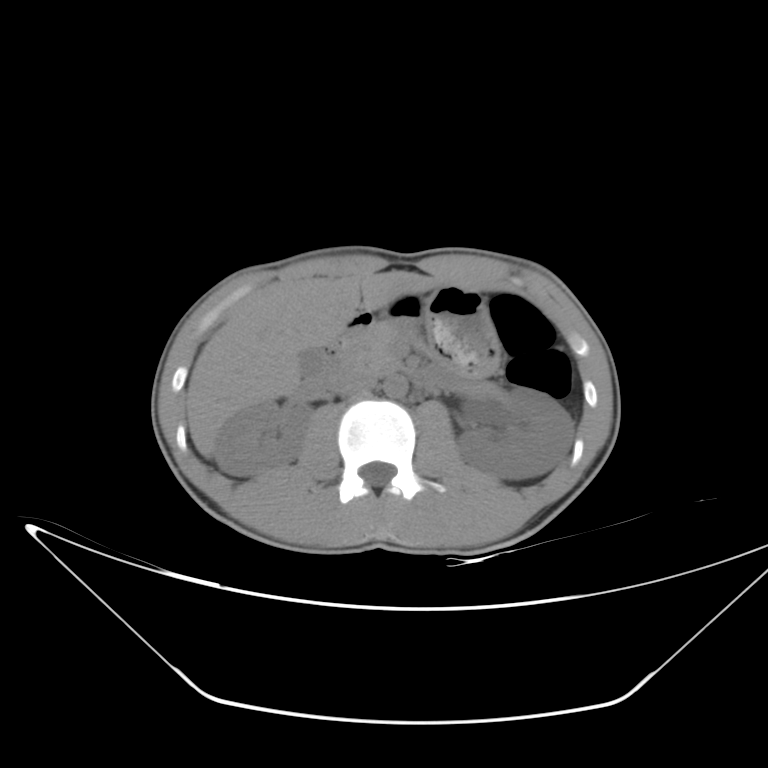

CT abdomen — Axial slice 55/74 — soft-tissue window
One row per box, in pixels: columns x1 and y1 give the top-left corner, x2 and y2 the bottom-right.
| organ | x1 | y1 | x2 | y2 |
|---|---|---|---|---|
| right kidney | 214 | 400 | 311 | 475 |
| left kidney | 457 | 387 | 574 | 480 |
| gall bladder | 299 | 349 | 323 | 373 |
| liver | 186 | 271 | 440 | 458 |
| stomach | 384 | 284 | 500 | 377 |
| aorta | 383 | 375 | 408 | 398 |
| inferior vena cava | 328 | 372 | 374 | 395 |
| pancreas | 343 | 321 | 411 | 376 |
| duodenum | 302 | 311 | 450 | 390 |